MRI, abdomen · axial view · 1st–99th percentile window · scan has 13 labeled organs (that count is for the whole scan; organs this slice misses have no box)
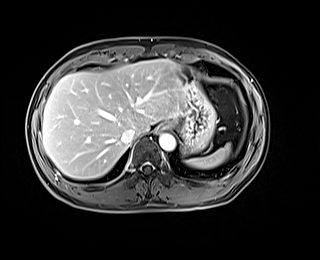

Boxes: x1:y1:x2:y2 in pixels. The annotated organs in this slice are: spleen at 186:143:230:168, esophagus at 158:122:171:130, liver at 42:59:184:179, stomach at 171:66:216:153, aorta at 159:133:175:151, inferior vena cava at 121:128:135:144.